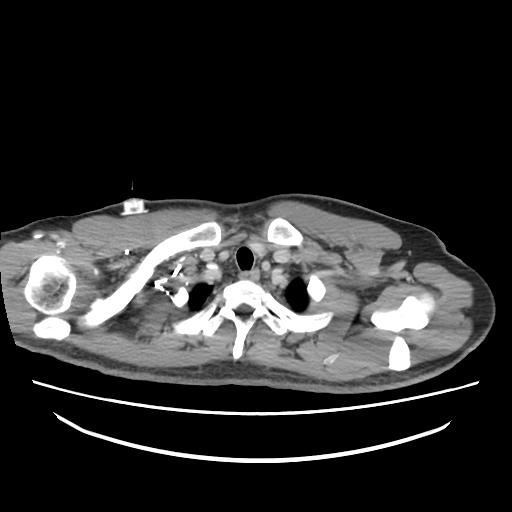

Abdominal CT reaching into the chest; this slice is in the chest — axial view — soft-tissue window (W 400 / L 40)
On a slice this high in the chest, this dataset labels only the esophagus and the aorta, and each is boxed only where it is labeled; the heart, lungs and other chest structures are not labeled.
Bounding boxes in pixels, one row per box: x1, y1 is the top-left corner and x2, y2 the bottom-right.
| organ | x1 | y1 | x2 | y2 |
|---|---|---|---|---|
| esophagus | 239 | 269 | 259 | 281 |